CT, abdomen/pelvis; Axial slice 39/89; 40-year-old male patient
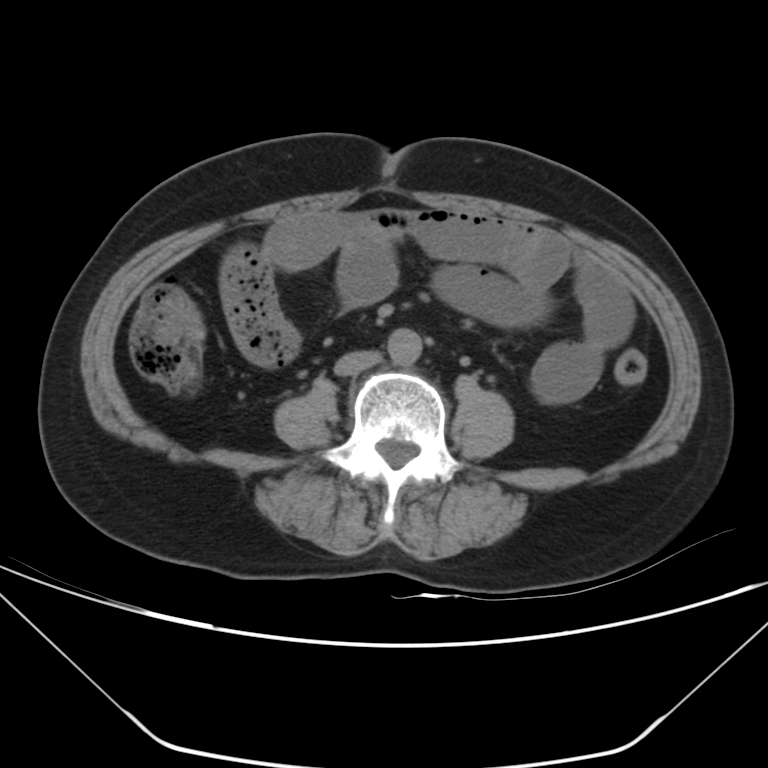
Boxes: x1:y1:x2:y2 in pixels.
Organ bounding boxes:
- aorta: 386:327:422:364
- inferior vena cava: 334:350:381:376